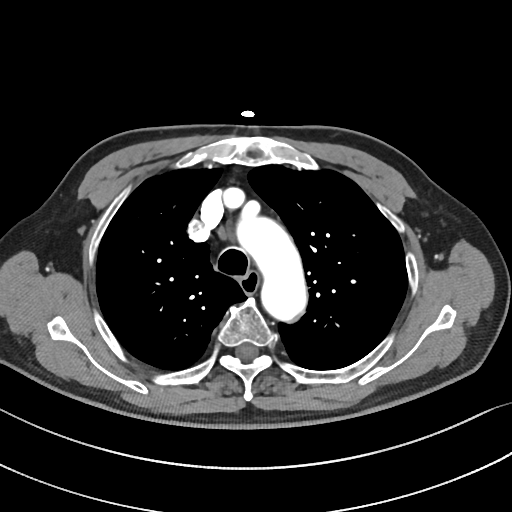

Chest-level CT slice, above the liver and spleen — axial view
At this level of the chest this dataset labels only the esophagus and the aorta, and each is boxed only where it is labeled; the heart and lungs are never labeled.
Each box given as x1,y1,x2,y2.
Organ bounding boxes:
- esophagus: x1=240, y1=272, x2=259, y2=297
- aorta: x1=236, y1=209, x2=306, y2=320